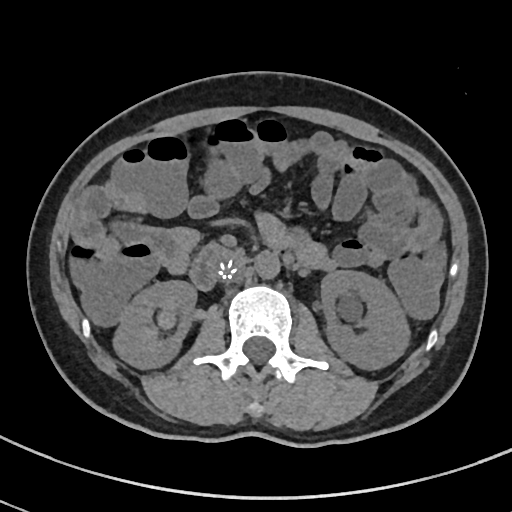
CT, abdomen/pelvis; axial view
<organs><organ name="right kidney" x1="113" y1="280" x2="196" y2="368"/><organ name="left kidney" x1="320" y1="270" x2="409" y2="369"/><organ name="aorta" x1="255" y1="251" x2="279" y2="278"/><organ name="inferior vena cava" x1="219" y1="259" x2="242" y2="282"/><organ name="duodenum" x1="189" y1="241" x2="246" y2="289"/></organs>